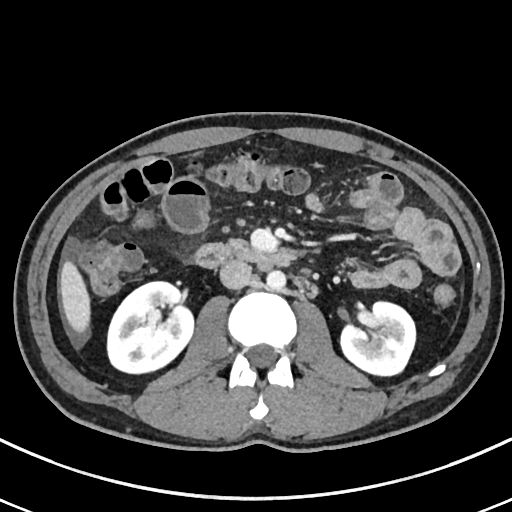
Abdominal CT — axial view — soft-tissue window (W 400 / L 40)
Coordinates as <box>x1,y1,x2,y2</box> in pixels.
right kidney: <box>107,281,194,375</box>
left kidney: <box>340,300,415,376</box>
liver: <box>61,260,91,333</box>
aorta: <box>266,270,286,290</box>
inferior vena cava: <box>219,260,251,289</box>
pancreas: <box>227,236,246,247</box>
duodenum: <box>191,243,295,268</box>